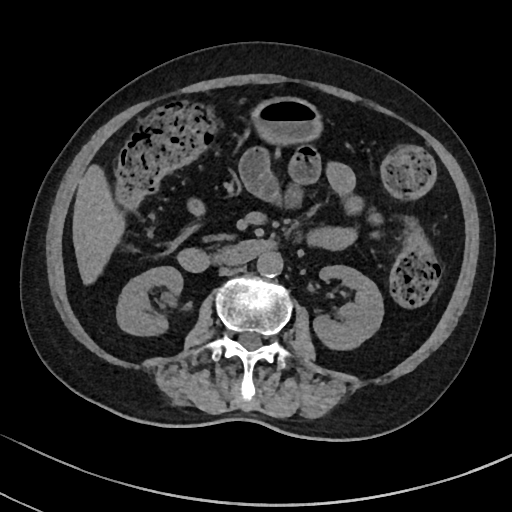
CT, abdomen/pelvis · axial plane, index 127 · abdomen soft-tissue window · 512x512 px · scan has 15 labeled organs (that count is for the whole scan; organs this slice misses have no box)
Box edges are left/top/right/bottom in pixels.
Organ bounding boxes:
- duodenum: left=176, top=239, right=272, bottom=271
- aorta: left=257, top=252, right=283, bottom=277
- pancreas: left=213, top=233, right=234, bottom=241
- liver: left=73, top=163, right=123, bottom=282
- right kidney: left=116, top=266, right=183, bottom=336
- stomach: left=254, top=96, right=319, bottom=141
- left kidney: left=313, top=266, right=384, bottom=349
- inferior vena cava: left=219, top=267, right=239, bottom=276